CT, abdomen/pelvis; axial plane, index 198; soft-tissue window
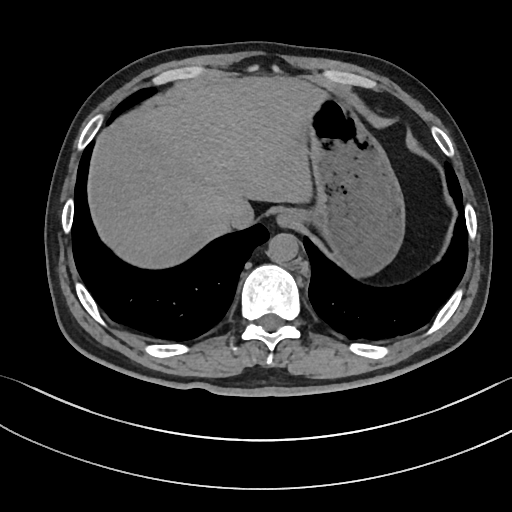

Organ boxes in pixel coordinates; each row gives the top-left (x1, y1) and bottom-right (x2, y2) corners.
| organ | x1 | y1 | x2 | y2 |
|---|---|---|---|---|
| esophagus | 274 | 209 | 301 | 228 |
| liver | 87 | 78 | 323 | 266 |
| stomach | 309 | 99 | 404 | 273 |
| aorta | 267 | 233 | 299 | 263 |
| inferior vena cava | 217 | 202 | 248 | 226 |